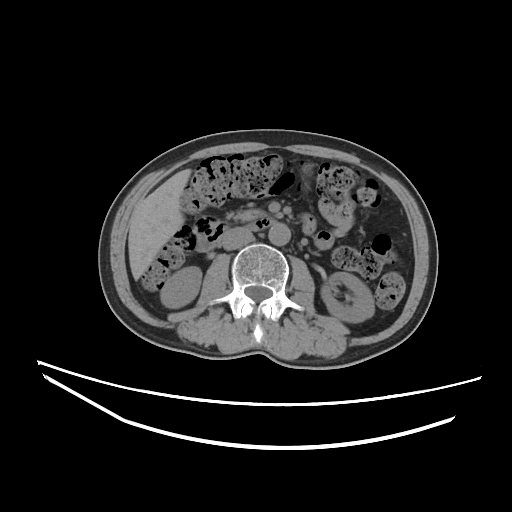
Computed tomography, abdomen · axial view
<organs><organ name="right kidney" x1="160" y1="266" x2="201" y2="308"/><organ name="pancreas" x1="230" y1="209" x2="264" y2="221"/><organ name="duodenum" x1="195" y1="214" x2="276" y2="251"/><organ name="inferior vena cava" x1="222" y1="227" x2="253" y2="250"/><organ name="aorta" x1="268" y1="223" x2="290" y2="245"/><organ name="left kidney" x1="321" y1="272" x2="374" y2="322"/><organ name="liver" x1="128" y1="169" x2="191" y2="279"/></organs>